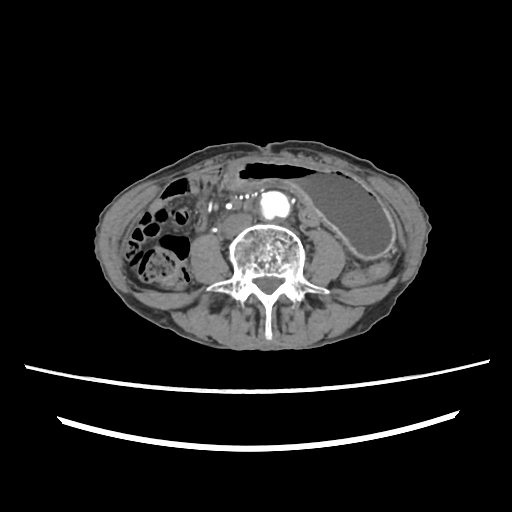

CT, abdomen/pelvis · axial plane, index 43 · 512x512 px · 81-year-old male patient
Boxes: x1 y1 x2 y2 (pixel coords, space-separated).
Organ bounding boxes:
- stomach: 220 158 394 256
- aorta: 257 191 289 222
- inferior vena cava: 222 213 252 234